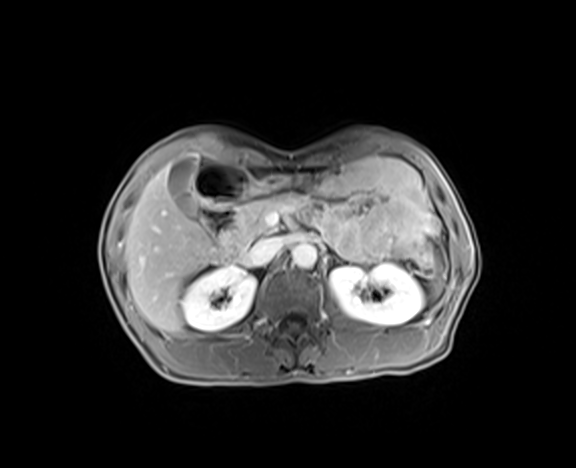 Magnetic resonance imaging, abdomen; axial plane, index 38
<organs><organ name="spleen" x1="435" y1="281" x2="441" y2="292"/><organ name="right kidney" x1="181" y1="267" x2="256" y2="331"/><organ name="left kidney" x1="330" y1="263" x2="424" y2="325"/><organ name="gall bladder" x1="168" y1="156" x2="196" y2="215"/><organ name="liver" x1="125" y1="166" x2="211" y2="333"/><organ name="stomach" x1="255" y1="175" x2="303" y2="194"/><organ name="aorta" x1="292" y1="243" x2="317" y2="268"/><organ name="inferior vena cava" x1="246" y1="237" x2="284" y2="265"/><organ name="pancreas" x1="226" y1="194" x2="334" y2="253"/><organ name="duodenum" x1="196" y1="154" x2="255" y2="263"/></organs>